Abdominal CT — axial view — SOMATOM Force scanner
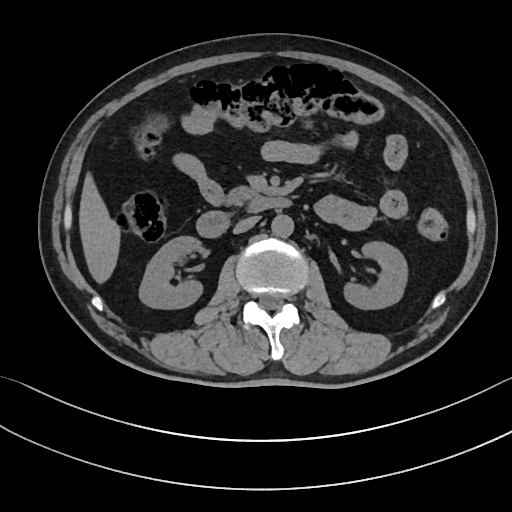 {"organs":{"right kidney":[139,235,203,307],"left kidney":[343,241,409,309],"liver":[80,177,118,281],"aorta":[271,214,293,236],"inferior vena cava":[233,215,259,233],"pancreas":[227,187,252,205],"duodenum":[196,194,288,237]}}